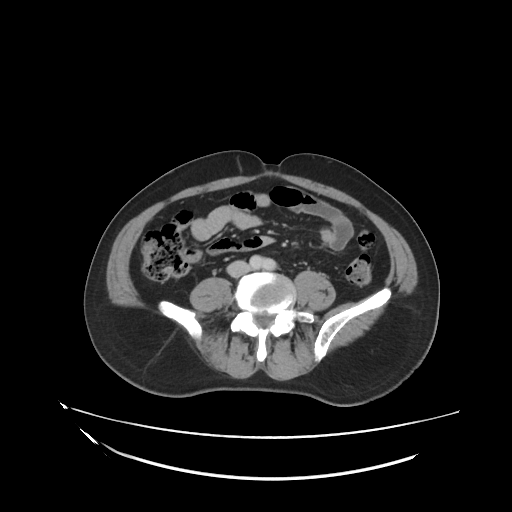
Abdominal CT · axial view · acquired on Aquilion ONE
Boxes are (x1, y1, x2, y2) in pixels. Labeled organs on this slice: aorta at (249, 255, 274, 270), inferior vena cava at (227, 260, 250, 277).